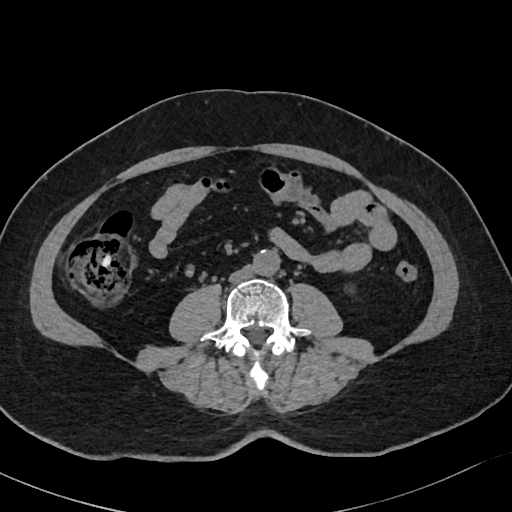 CT abdomen — axial view
Bounding boxes as [x1, y1, x2, y2] in pixel coordinates.
aorta: [253, 249, 280, 276]
inferior vena cava: [228, 265, 254, 283]